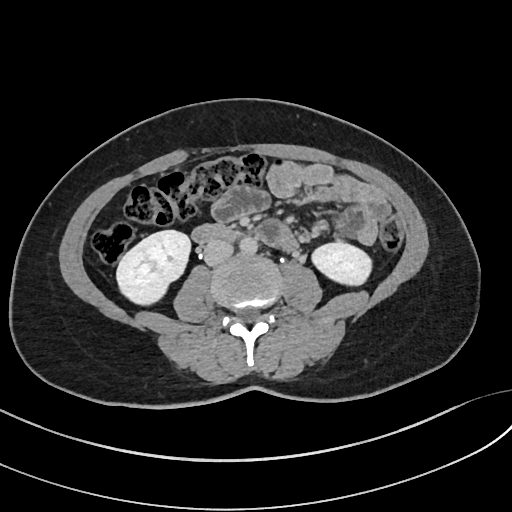
Abdominal CT; axial view; abdomen soft-tissue window; 15 organs annotated in this scan (counted over the whole 3D scan, not this slice; an organ is boxed only where this slice passes through it)
Coordinates as <box>x1,y1,x2,y2</box> in pixels.
Organ bounding boxes:
- right kidney: <box>117,230,189,304</box>
- left kidney: <box>312,242,371,286</box>
- aorta: <box>239,237,257,254</box>
- inferior vena cava: <box>204,239,233,265</box>
- duodenum: <box>193,225,235,244</box>